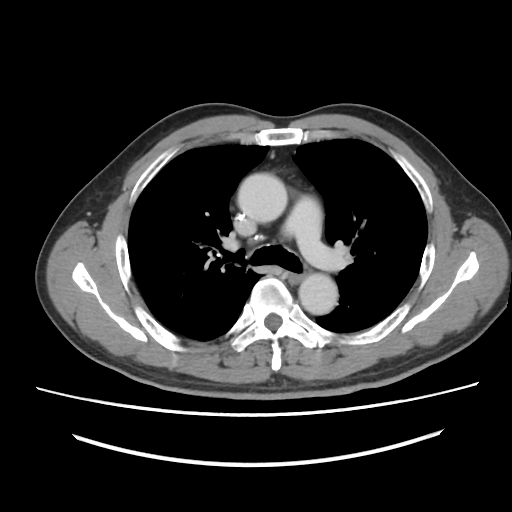

Chest-level CT slice, above the liver and spleen; Axial slice 104/124; 512x512 px
At this level of the chest no structure but the esophagus and the aorta has a label in this dataset, and those two are boxed only where they are labeled.
<organs><organ name="esophagus" x1="288" y1="271" x2="304" y2="282"/><organ name="aorta" x1="238" y1="173" x2="287" y2="222"/><organ name="aorta" x1="299" y1="273" x2="337" y2="314"/></organs>